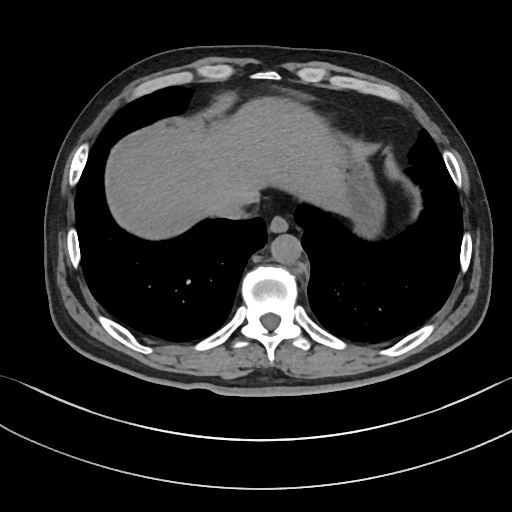

Computed tomography, abdomen; axial plane, index 206; W/L 400/40 HU; 512x512 px; SOMATOM Force scanner
<organs><organ name="liver" x1="104" y1="98" x2="352" y2="238"/><organ name="inferior vena cava" x1="216" y1="192" x2="257" y2="218"/><organ name="aorta" x1="270" y1="234" x2="302" y2="264"/><organ name="stomach" x1="342" y1="153" x2="382" y2="237"/><organ name="esophagus" x1="268" y1="216" x2="287" y2="233"/></organs>